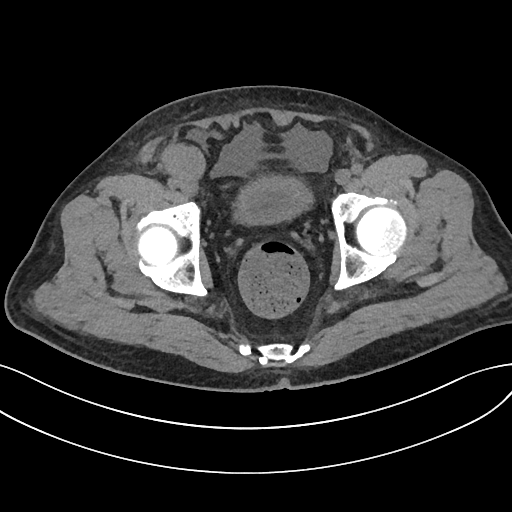
CT abdomen. axial view. abdomen soft-tissue window. SOMATOM Force scanner. scan has 15 labeled organs (counted over the whole 3D scan, not this slice; an organ is boxed only where this slice passes through it)
{"organs":{"bladder":[234,176,312,224]}}